CT, abdomen/pelvis · axial view · W/L 400/40 HU · 512x512 px · 15 organs annotated in this scan (a whole-scan count: organs this slice does not pass through have no box)
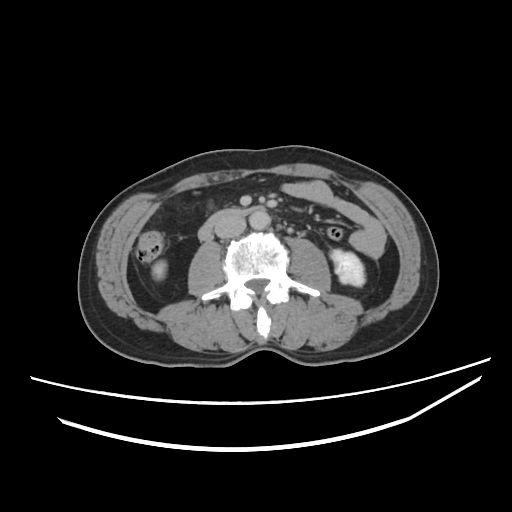
Boxes: x1:y1:x2:y2 in pixels.
Organ bounding boxes:
- right kidney: 152:261:165:279
- left kidney: 329:248:364:286
- aorta: 249:210:271:230
- inferior vena cava: 214:215:245:237
- duodenum: 198:205:266:241